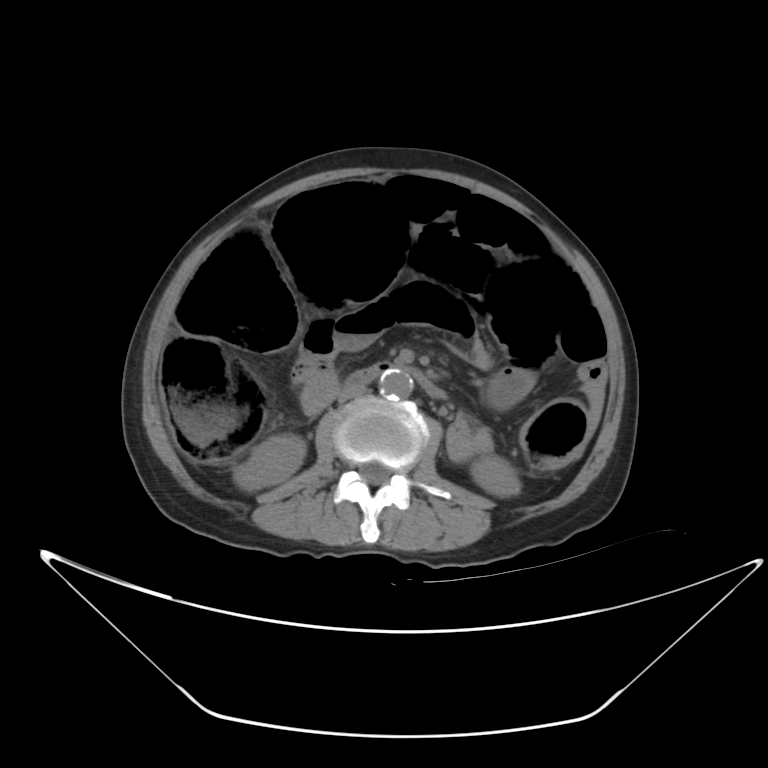

Computed tomography, abdomen. axial view. acquired on Brilliance16
{"organs":{"right kidney":[233,434,306,491],"left kidney":[471,457,520,496],"aorta":[379,370,413,400],"inferior vena cava":[338,384,367,402],"duodenum":[346,362,445,398]}}